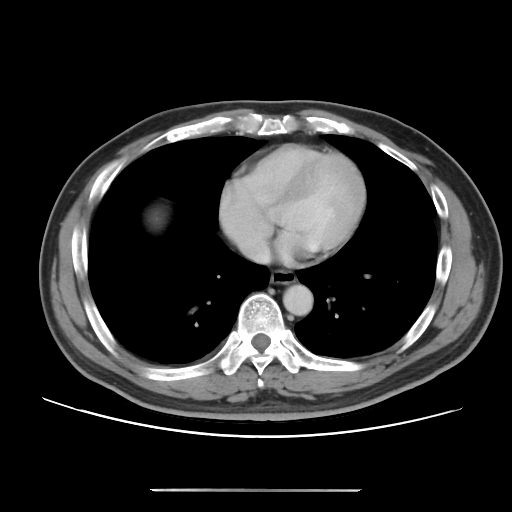
CT of the abdomen reaching into the lower chest, slice just above the liver and spleen. axial plane, index 95
No part of the heart or lungs is labeled in this dataset, so neither has a box here. Coordinates as <box>x1,y1,x2,y2</box> in pixels. The annotated organs in this slice are: esophagus at <box>270,270,296,284</box>, aorta at <box>283,284,313,315</box>, inferior vena cava at <box>240,238,271,263</box>.